CT, abdomen/pelvis; axial view; abdomen soft-tissue window
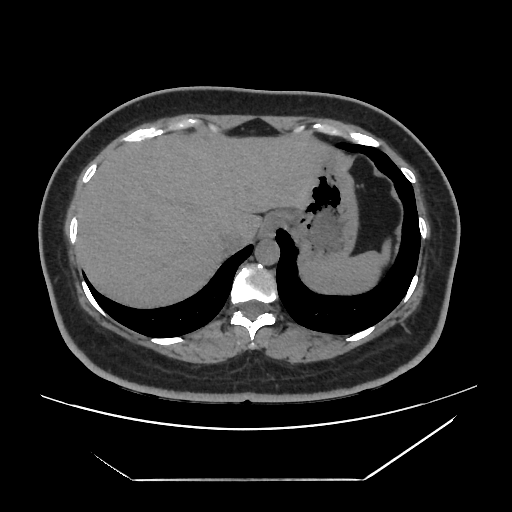 Boxes: x1 y1 x2 y2 (pixel coords, space-separated). The annotated organs in this slice are: spleen at 301 239 389 295, esophagus at 261 211 284 236, liver at 76 132 329 308, stomach at 282 148 359 265, aorta at 255 239 279 264, inferior vena cava at 220 226 254 251.